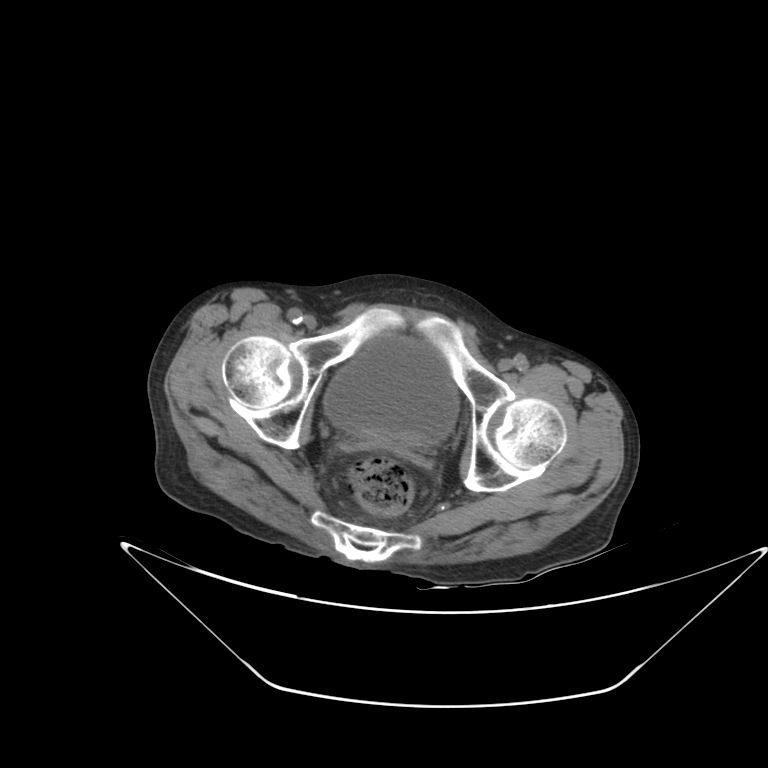

CT abdomen; axial view; abdomen soft-tissue window; 56-year-old male patient
{"organs":{"bladder":[323,336,458,443],"prostate/uterus":[367,432,403,446]}}